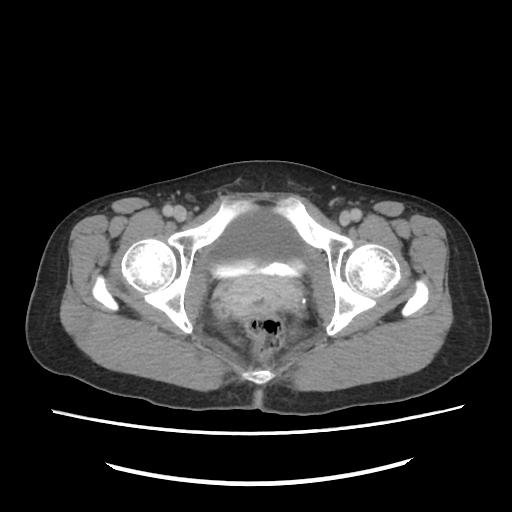 CT, abdomen/pelvis — axial plane, index 11 — W/L 400/40 HU — 50-year-old female patient — 15 organs annotated in this scan (a whole-scan count: organs this slice does not pass through have no box)
Boxes: x1 y1 x2 y2 (pixel coords, space-separated).
Organ bounding boxes:
- bladder: 208 211 307 277
- prostate/uterus: 223 273 300 318